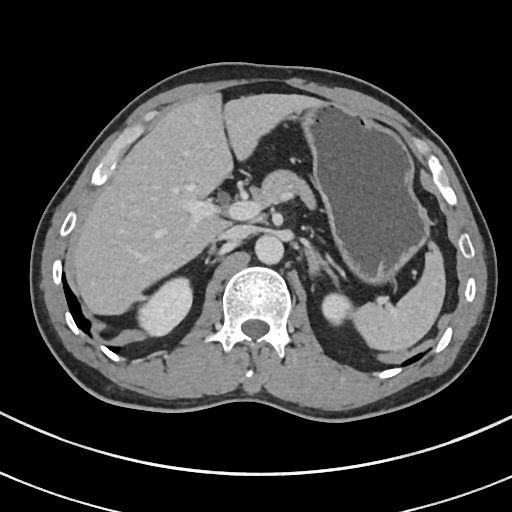

Computed tomography, abdomen · axial view · W/L 400/40 HU · 512x512 px · acquired on SOMATOM Force
Boxes: x1 y1 x2 y2 (pixel coords, space-separated).
spleen: 348 249 444 351
right kidney: 138 278 191 335
left kidney: 323 294 349 321
liver: 73 94 321 315
stomach: 301 101 431 279
aorta: 256 236 284 265
inferior vena cava: 219 225 252 241
pancreas: 261 173 314 208
right adrenal gland: 208 245 216 253
left adrenal gland: 307 249 338 284